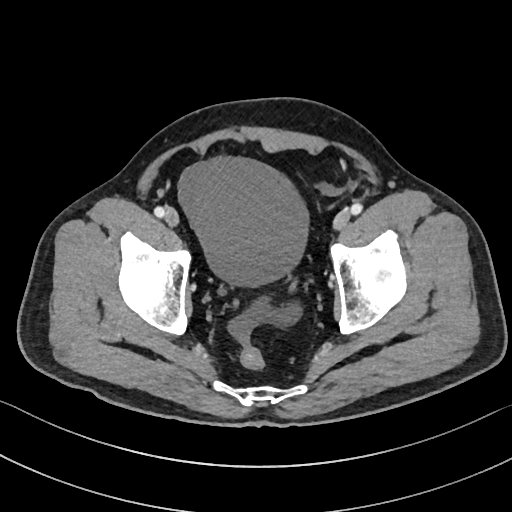

Abdominal CT — axial plane, index 42 — 512x512 px
Box edges are left/top/right/bottom in pixels.
Organ bounding boxes:
- bladder: left=179, top=158, right=308, bottom=285